CT abdomen; axial view; soft-tissue window (W 400 / L 40); scan has 15 labeled organs (that count is for the whole scan; organs this slice misses have no box)
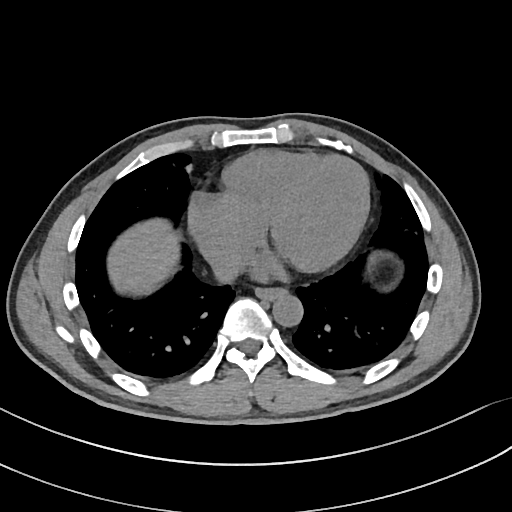

<organs><organ name="liver" x1="109" y1="218" x2="177" y2="292"/><organ name="inferior vena cava" x1="209" y1="252" x2="239" y2="278"/><organ name="esophagus" x1="256" y1="289" x2="285" y2="301"/><organ name="aorta" x1="272" y1="292" x2="303" y2="327"/></organs>